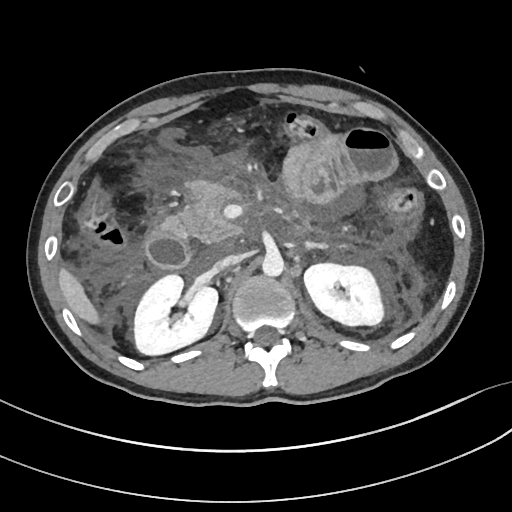

Abdominal CT · axial view
Boxes are (x1, y1, x2, y2) in pixels.
right kidney: (133, 273, 217, 354)
left kidney: (304, 263, 385, 326)
liver: (59, 270, 100, 324)
aorta: (262, 252, 283, 276)
inferior vena cava: (213, 254, 243, 271)
pancreas: (162, 183, 241, 243)
left adrenal gland: (306, 240, 327, 247)
duodenum: (146, 228, 190, 269)